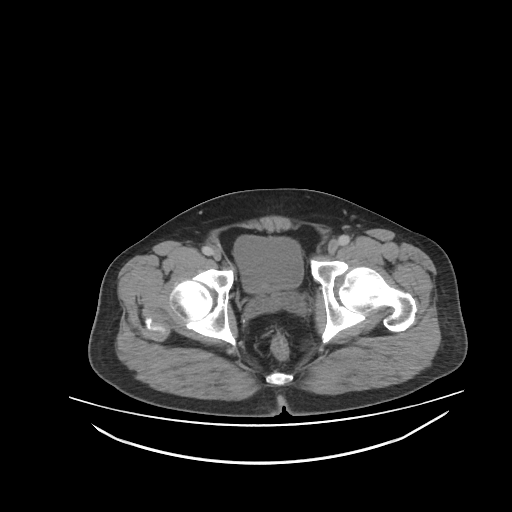
Abdominal CT — Axial slice 21/96 — soft-tissue window (W 400 / L 40) — 512x512 px — 45-year-old male patient
Each box given as x1,y1,x2,y2.
bladder: x1=232, y1=236, x2=302, y2=292